Abdominal CT — Axial slice 142/206 — 512x512 px
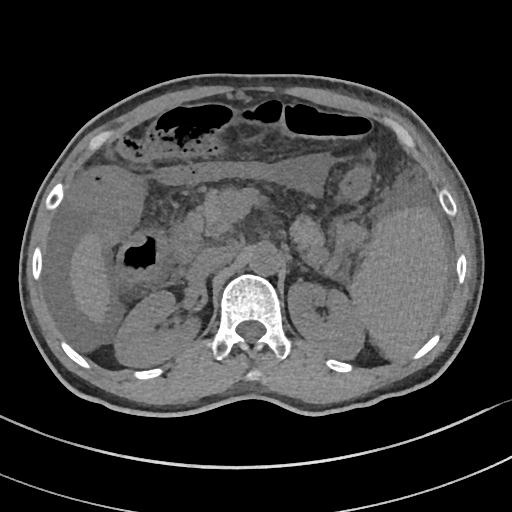
{"organs":{"left adrenal gland":[298,263,305,270],"inferior vena cava":[191,246,236,277],"liver":[70,232,110,323],"left kidney":[287,280,365,359],"spleen":[348,206,447,359],"pancreas":[195,189,324,251],"duodenum":[168,211,204,264],"aorta":[249,243,281,275],"right kidney":[115,291,200,367]}}